CT abdomen. Axial slice 27/213. 512x512 px. scan has 15 labeled organs (a whole-scan count: organs this slice does not pass through have no box)
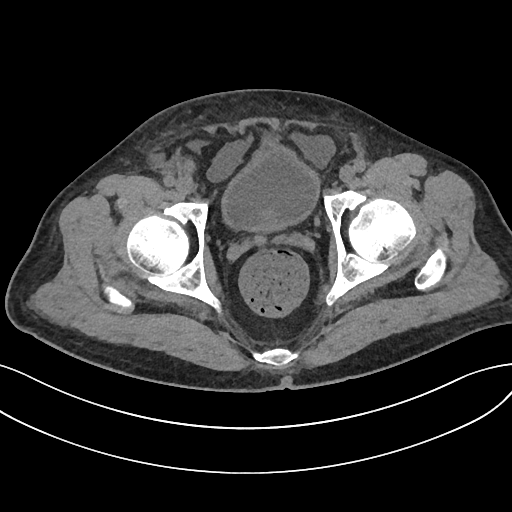 {"organs":{"bladder":[222,141,318,230],"prostate/uterus":[258,212,279,231]}}